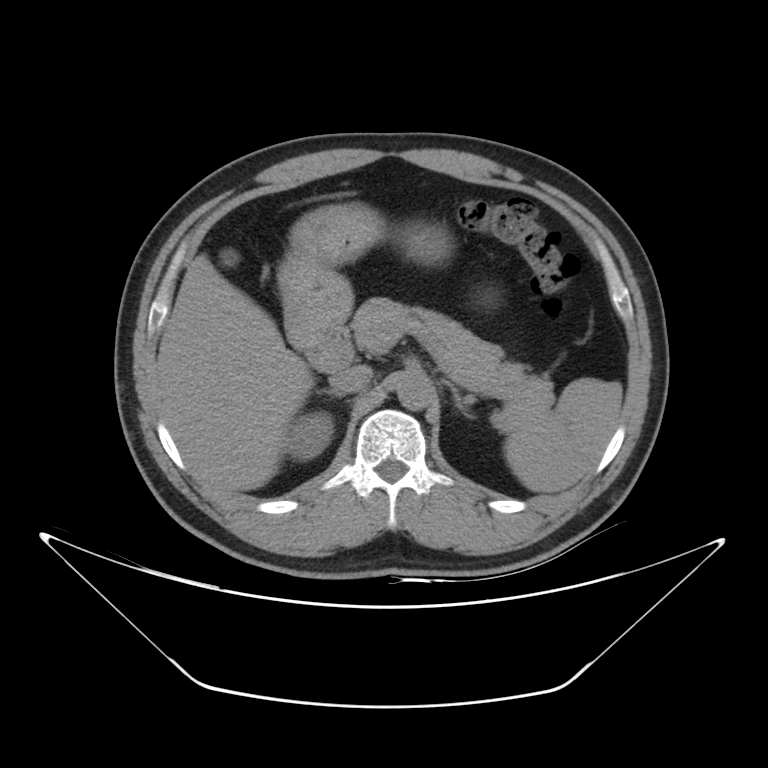
CT, abdomen/pelvis. axial view. 15 organs annotated in this scan (counted over the whole 3D scan, not this slice; an organ is boxed only where this slice passes through it)
Each box given as x1,y1,x2,y2. The annotated organs in this slice are: spleen at x1=504, y1=377, x2=622, y2=492, right kidney at x1=286, y1=412, x2=332, y2=461, gall bladder at x1=220, y1=248, x2=238, y2=265, liver at x1=156, y1=253, x2=314, y2=493, stomach at x1=278, y1=201, x2=448, y2=349, aorta at x1=396, y1=372, x2=431, y2=409, inferior vena cava at x1=329, y1=365, x2=372, y2=393, pancreas at x1=351, y1=297, x2=552, y2=413, right adrenal gland at x1=316, y1=389, x2=342, y2=398, left adrenal gland at x1=443, y1=379, x2=472, y2=418, duodenum at x1=306, y1=324, x2=353, y2=372.